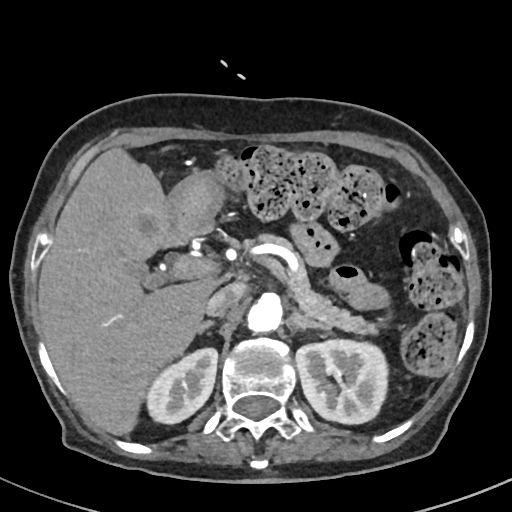

Computed tomography, abdomen — Axial slice 152/279
Box edges are left/top/right/bottom in pixels.
Organ bounding boxes:
- duodenum: left=160, top=237, right=187, bottom=249
- pancreas: left=245, top=234, right=377, bottom=334
- liver: left=37, top=149, right=209, bottom=434
- right kidney: left=146, top=347, right=218, bottom=424
- right adrenal gland: left=199, top=320, right=215, bottom=331
- stomach: left=166, top=175, right=222, bottom=240
- left adrenal gland: left=292, top=308, right=330, bottom=330
- inferior vena cava: left=205, top=283, right=244, bottom=315
- left kidney: left=296, top=337, right=388, bottom=424
- aorta: left=248, top=292, right=283, bottom=331